CT, abdomen/pelvis. axial view. SOMATOM Force scanner
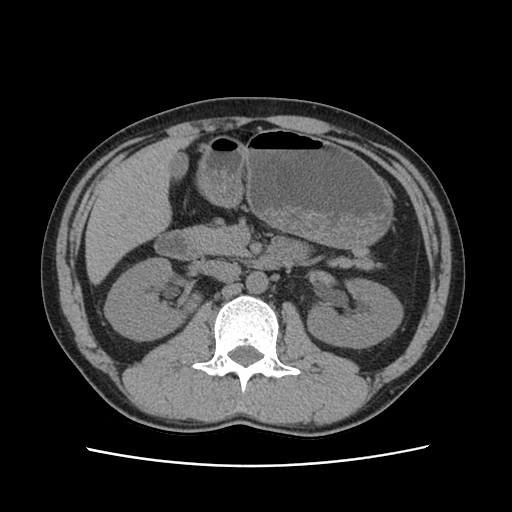 One row per box, in pixels: columns x1 and y1 give the top-left corner, x2 and y2 the bottom-right.
| organ | x1 | y1 | x2 | y2 |
|---|---|---|---|---|
| right kidney | 104 | 258 | 199 | 340 |
| left kidney | 307 | 278 | 402 | 348 |
| gall bladder | 169 | 151 | 187 | 181 |
| liver | 85 | 137 | 192 | 284 |
| stomach | 197 | 129 | 392 | 248 |
| aorta | 246 | 271 | 268 | 293 |
| inferior vena cava | 206 | 260 | 240 | 282 |
| pancreas | 186 | 226 | 377 | 269 |
| duodenum | 154 | 230 | 289 | 269 |